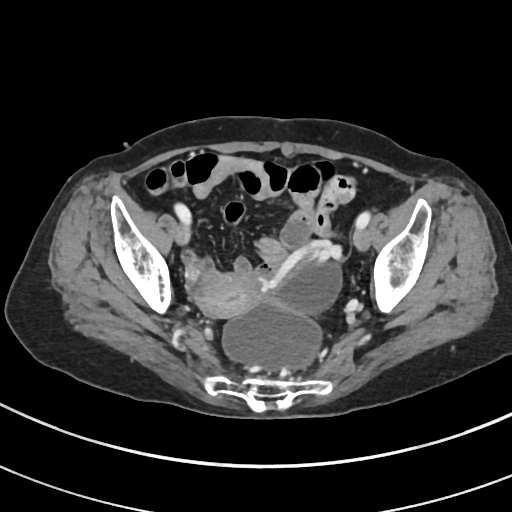

CT abdomen · axial plane, index 41 · 512x512 px · 15 organs annotated in this scan (counted over the whole 3D scan, not this slice; an organ is boxed only where this slice passes through it)
{"organs":{"prostate/uterus":[195,273,261,317]}}